Chest-level CT slice, above the liver and spleen — axial view — 512x512 px — scan has 13 labeled organs (a whole-scan count: organs this slice does not pass through have no box)
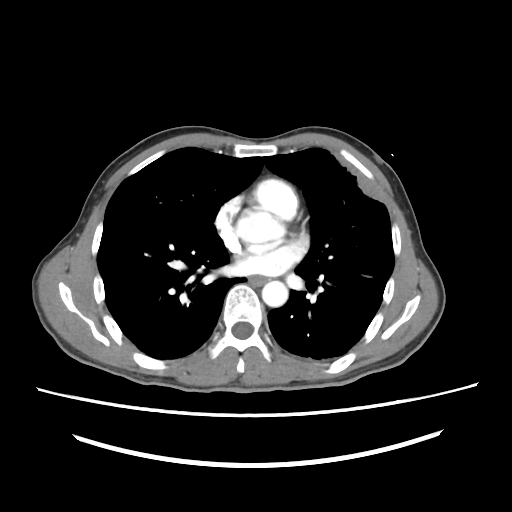
At this level of the chest no structure but the esophagus and the aorta has a label in this dataset, and those two are boxed only where they are labeled.
<organs><organ name="esophagus" x1="248" y1="274" x2="266" y2="285"/><organ name="aorta" x1="262" y1="280" x2="286" y2="306"/></organs>